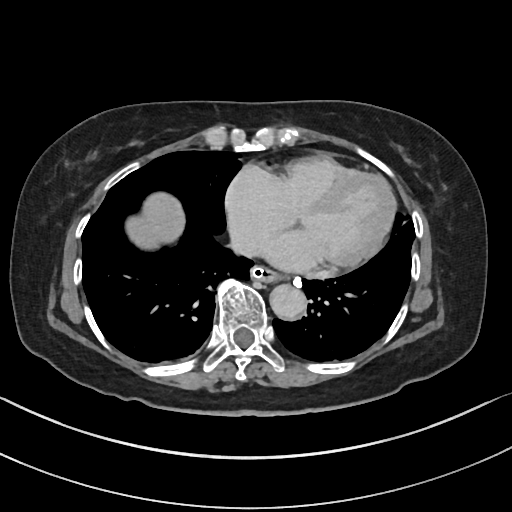
CT abdomen — axial view — W/L 400/40 HU — SOMATOM Force scanner
Bounding boxes in pixels, one row per box: x1, y1 is the top-left corner and x2, y2 the bottom-right.
| organ | x1 | y1 | x2 | y2 |
|---|---|---|---|---|
| esophagus | 250 | 266 | 280 | 282 |
| liver | 126 | 193 | 185 | 248 |
| aorta | 268 | 283 | 305 | 319 |
| inferior vena cava | 231 | 231 | 251 | 250 |